Abdominal CT. axial view. W/L 400/40 HU. 512x512 px. 49-year-old male patient
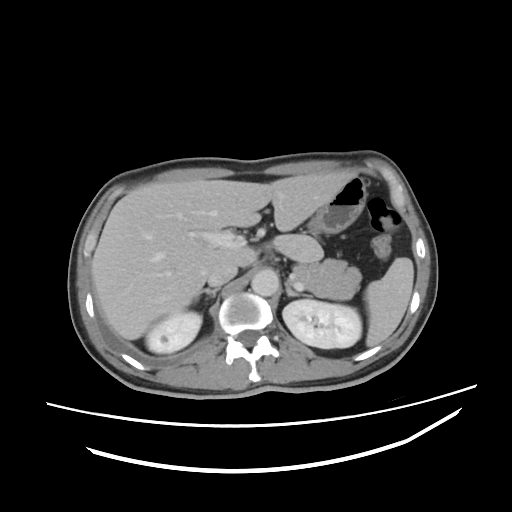

{"organs":{"pancreas":[291,258,361,299],"right kidney":[145,311,201,353],"left kidney":[282,300,361,348],"left adrenal gland":[285,281,304,296],"aorta":[251,269,278,296],"right adrenal gland":[195,288,218,302],"stomach":[307,176,366,234],"liver":[91,172,349,339],"spleen":[365,257,413,346],"inferior vena cava":[207,262,237,286]}}